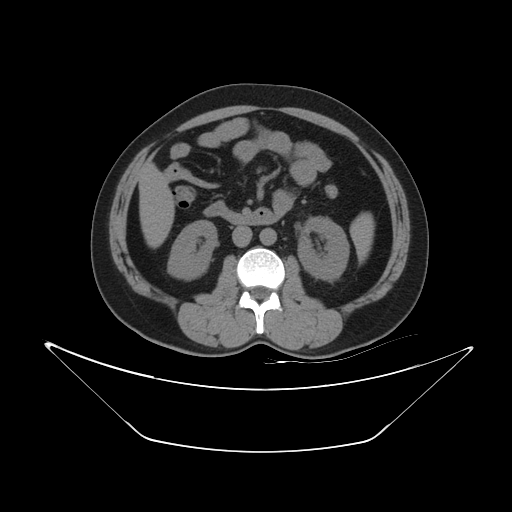

CT, abdomen/pelvis · axial view · 512x512 px
Coordinates as <box>x1,y1,x2,y2</box> in pixels.
spleen: <box>350,211,374,263</box>
right kidney: <box>167,220,217,280</box>
left kidney: <box>297,216,349,280</box>
liver: <box>138,162,174,248</box>
aorta: <box>260,228,276,245</box>
inferior vena cava: <box>231,226,251,247</box>
duodenum: <box>203,201,280,225</box>